CT abdomen — Axial slice 145/192 — SOMATOM Force scanner
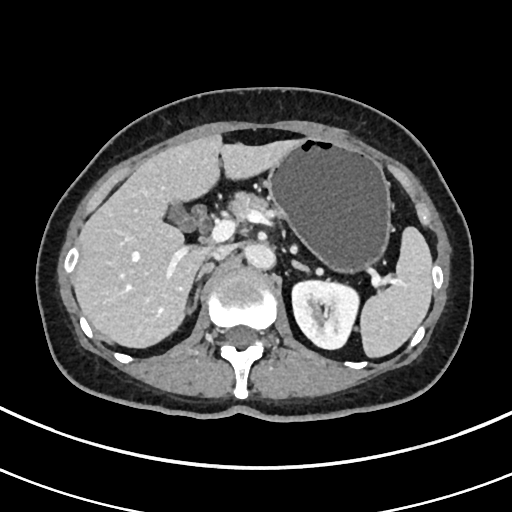
{"organs":{"stomach":[266,137,391,270],"left adrenal gland":[291,259,309,273],"pancreas":[226,193,283,217],"spleen":[361,225,432,356],"gall bladder":[166,202,195,230],"left kidney":[291,278,360,349],"liver":[73,134,296,347],"aorta":[245,243,275,268],"inferior vena cava":[208,245,230,260],"right adrenal gland":[191,262,213,310]}}